CT of the abdomen reaching into the lower chest, slice just above the liver and spleen; axial plane, index 103
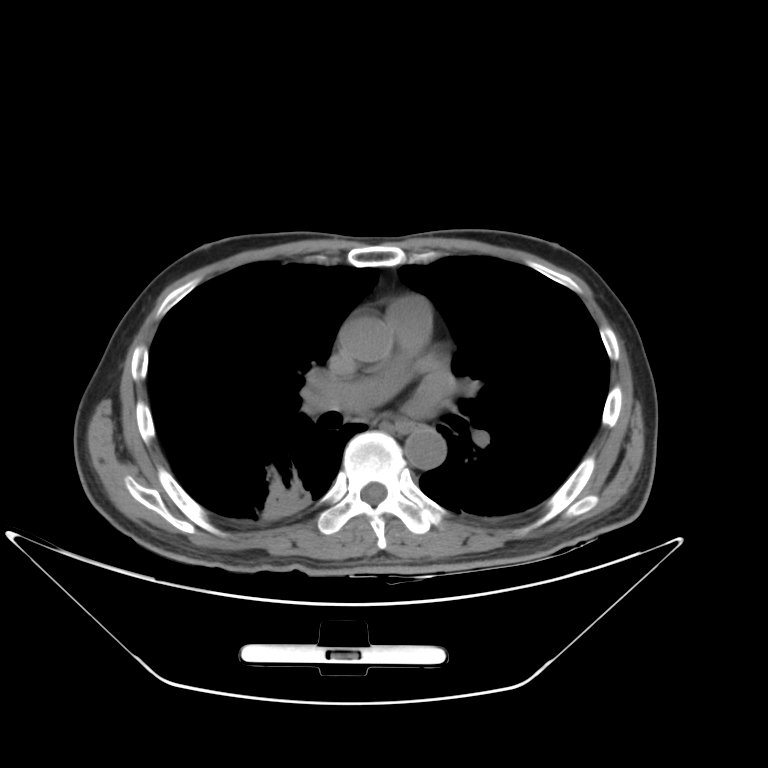

The heart and lungs are never labeled in this dataset, so they have no box on this slice.
Boxes: x1 y1 x2 y2 (pixel coords, space-separated).
esophagus: 393 420 414 430
aorta: 404 425 447 469